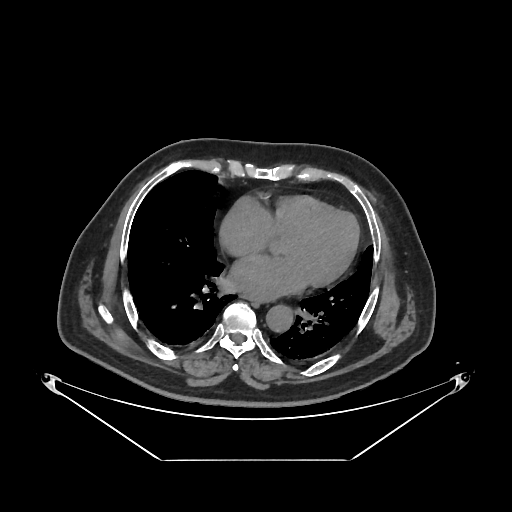 CT of the abdomen reaching into the lower chest, slice just above the liver and spleen — axial view
No part of the heart or lungs is labeled in this dataset, so neither has a box here.
Each box given as x1,y1,x2,y2.
Organ bounding boxes:
- esophagus: x1=244, y1=295, x2=266, y2=301
- aorta: x1=266, y1=304, x2=293, y2=331